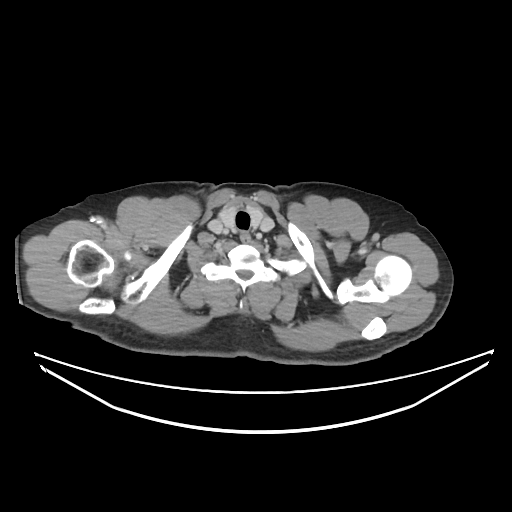

Chest-level slice from an abdominal CT that extends up into the chest; axial plane, index 129; soft-tissue window; 512x512 px; 15 organs annotated in this scan (that count is for the whole scan; organs this slice misses have no box)
On a slice this high in the chest, this dataset labels only the esophagus and the aorta, and each is boxed only where it is labeled; the heart, lungs and other chest structures are not labeled. Boxes: x1 y1 x2 y2 (pixel coords, space-separated). The annotated organs in this slice are: esophagus at 240 232 250 242.